Chest-level slice from an abdominal CT that extends up into the chest — axial view — 512x512 px
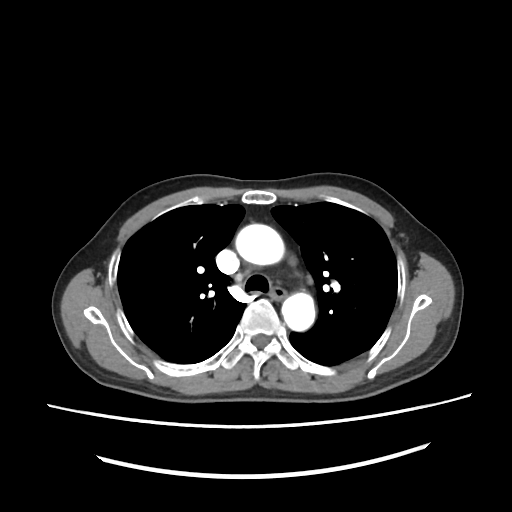 On a slice this high in the chest, this dataset labels only the esophagus and the aorta, and each is boxed only where it is labeled; the heart, lungs and other chest structures are not labeled.
Box edges are left/top/right/bottom in pixels.
Organ bounding boxes:
- esophagus: left=271, top=289, right=284, bottom=301
- aorta: left=235, top=224, right=284, bottom=267
- aorta: left=282, top=293, right=316, bottom=331